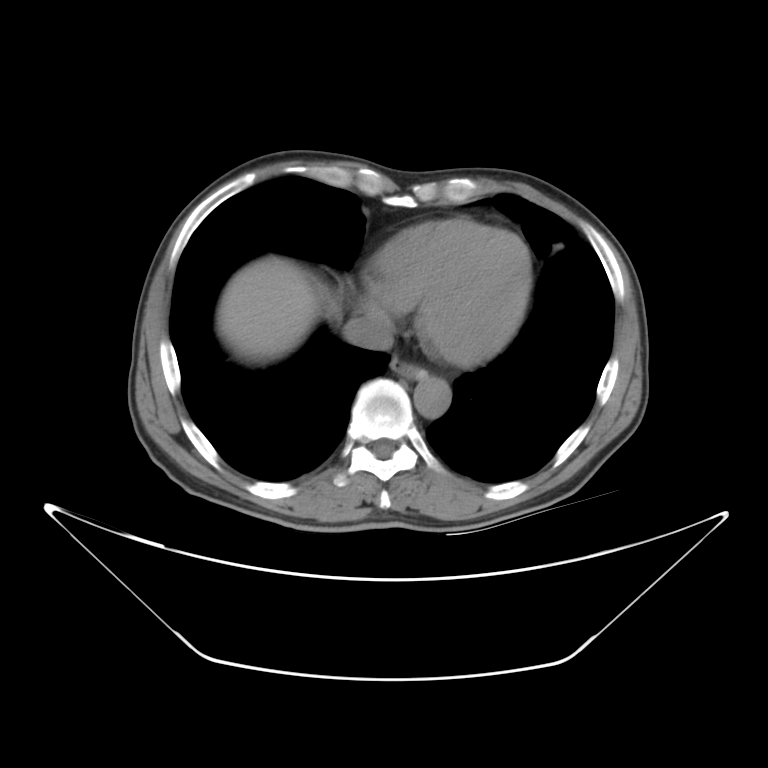 CT abdomen · axial view · 59-year-old male patient · Brilliance16 scanner
{"organs":{"esophagus":[388,360,424,382],"inferior vena cava":[344,313,395,349],"aorta":[412,377,449,418],"liver":[218,257,320,362]}}